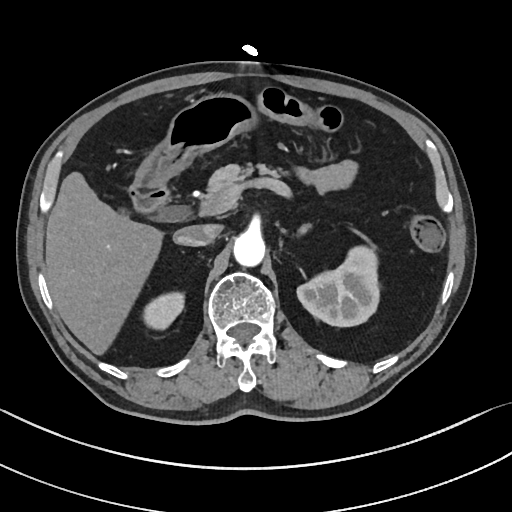

CT abdomen. axial view. 512x512 px. acquired on SOMATOM Force
<organs><organ name="right kidney" x1="143" y1="291" x2="184" y2="329"/><organ name="left kidney" x1="297" y1="246" x2="379" y2="326"/><organ name="liver" x1="45" y1="172" x2="162" y2="354"/><organ name="stomach" x1="136" y1="93" x2="257" y2="183"/><organ name="aorta" x1="233" y1="231" x2="265" y2="266"/><organ name="inferior vena cava" x1="173" y1="224" x2="219" y2="246"/><organ name="pancreas" x1="202" y1="164" x2="280" y2="205"/><organ name="left adrenal gland" x1="297" y1="224" x2="310" y2="235"/><organ name="duodenum" x1="130" y1="180" x2="170" y2="214"/></organs>